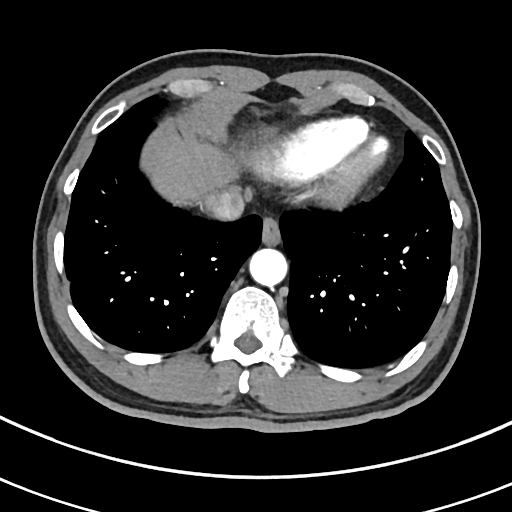 Abdominal CT · axial view · W/L 400/40 HU · 15 organs annotated in this scan (that count is for the whole scan; organs this slice misses have no box)
Coordinates as <box>x1,y1,x2,y2</box> in pixels. 4 labeled organs on this slice — aorta at <box>250,248,288,286</box>; liver at <box>148,134,240,202</box>; inferior vena cava at <box>205,188,244,220</box>; esophagus at <box>261,218,281,245</box>.